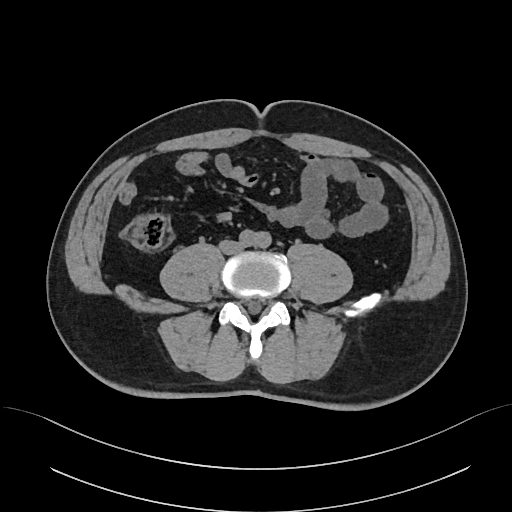

CT, abdomen/pelvis — axial view — soft-tissue window (W 400 / L 40)
{"organs":{"inferior vena cava":[220,241,241,253],"aorta":[240,229,270,247]}}